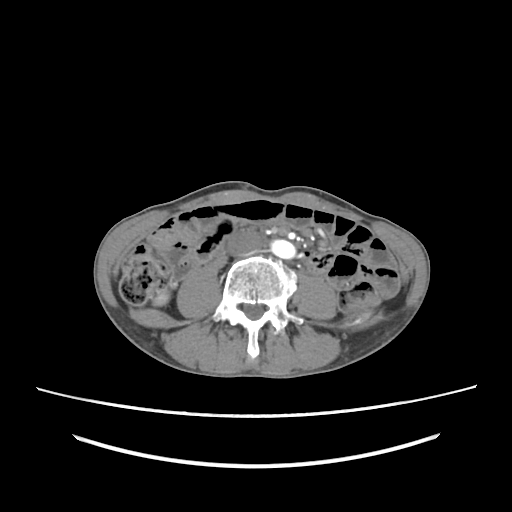

CT, abdomen/pelvis. axial plane, index 43
Boxes are (x1, y1, x2, y2) in pixels.
Organ bounding boxes:
- aorta: (271, 239, 295, 258)
- inferior vena cava: (228, 231, 263, 255)
- right kidney: (154, 291, 168, 305)